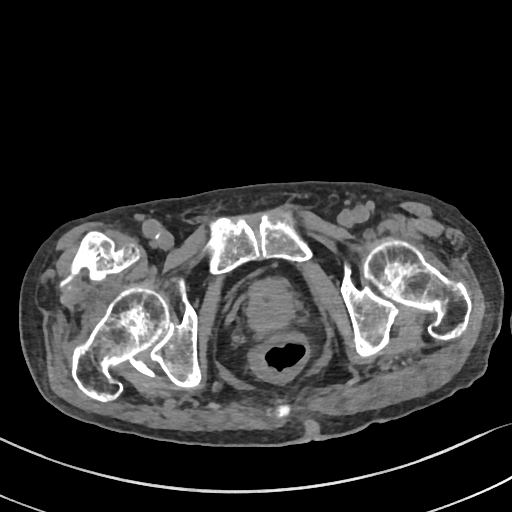 CT abdomen · axial plane, index 17 · W/L 400/40 HU · 512x512 px · scan has 15 labeled organs (a whole-scan count: organs this slice does not pass through have no box)
<organs><organ name="prostate/uterus" x1="246" y1="277" x2="295" y2="331"/></organs>